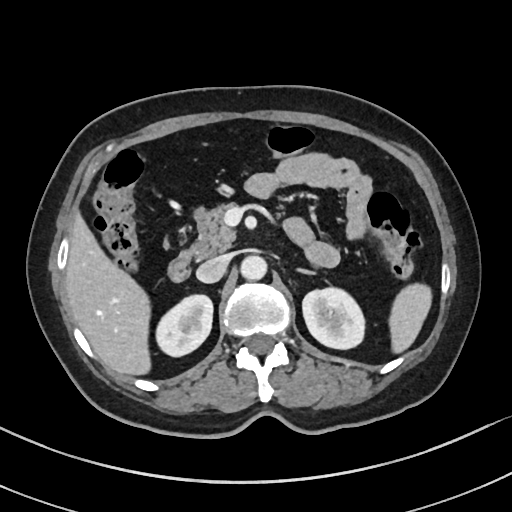
CT, abdomen/pelvis — axial view — 512x512 px
Coordinates as <box>x1,y1,x2,y2</box> in pixels. Labeled organs on this slice: spleen at <box>390,284,432,353</box>, right kidney at <box>156,293,213,357</box>, left kidney at <box>302,285,365,349</box>, liver at <box>65,217,150,374</box>, aorta at <box>241,255,268,280</box>, inferior vena cava at <box>196,255,230,282</box>, pancreas at <box>189,204,236,259</box>, left adrenal gland at <box>296,266,315,276</box>, duodenum at <box>166,248,194,281</box>.